CT of the abdomen reaching into the lower chest, slice just above the liver and spleen · axial plane, index 72 · 512x512 px
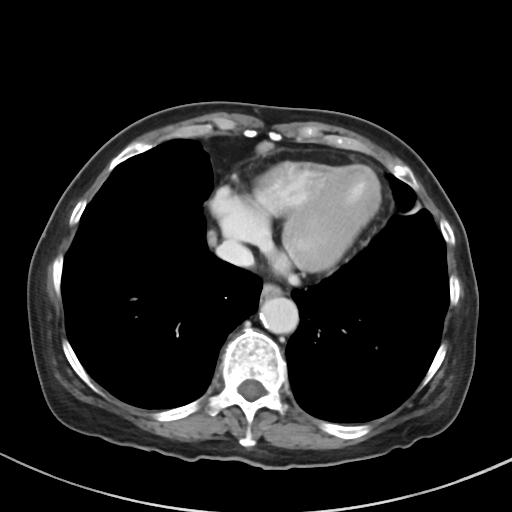
No part of the heart or lungs is labeled in this dataset, so neither has a box here.
Bounding boxes in pixels, one row per box: x1, y1 is the top-left corner and x2, y2 the bottom-right.
| organ | x1 | y1 | x2 | y2 |
|---|---|---|---|---|
| esophagus | 261 | 284 | 281 | 299 |
| inferior vena cava | 215 | 240 | 253 | 267 |
| aorta | 259 | 297 | 298 | 334 |